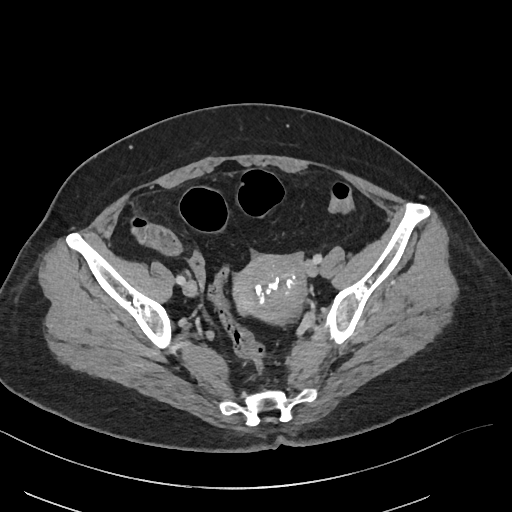

CT abdomen; axial view; 15 organs annotated in this scan (a whole-scan count: organs this slice does not pass through have no box)
<organs><organ name="prostate/uterus" x1="233" y1="255" x2="306" y2="321"/></organs>